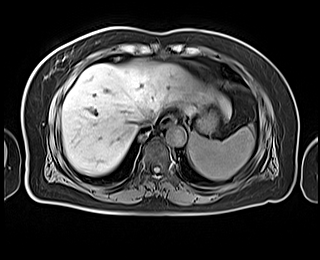

MRI, abdomen — axial plane, index 59 — 1st–99th percentile window — 320x260 px — 13 organs annotated in this scan (counted over the whole 3D scan, not this slice; an organ is boxed only where this slice passes through it)
Each box given as x1,y1,x2,y2.
inferior vena cava: x1=138, y1=112, x2=157, y2=127
esophagus: x1=160, y1=115, x2=175, y2=127
liver: x1=61, y1=59, x2=231, y2=175
spleen: x1=188, y1=125, x2=254, y2=180
aorta: x1=166, y1=126, x2=185, y2=145
stomach: x1=195, y1=105, x2=219, y2=133